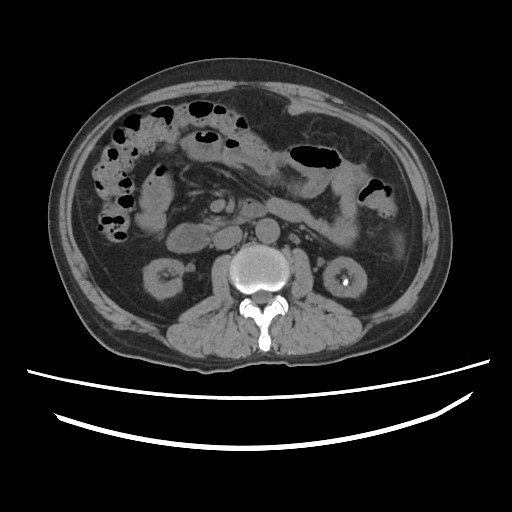
Computed tomography, abdomen · Axial slice 66/95 · W/L 400/40 HU · scan has 15 labeled organs (a whole-scan count: organs this slice does not pass through have no box)
Boxes: x1:y1:x2:y2 in pixels. The annotated organs in this slice are: right kidney at 143:258:183:299, left kidney at 323:257:366:297, aorta at 255:219:279:243, inferior vena cava at 213:226:242:249, pancreas at 204:217:223:229, duodenum at 167:199:266:252.